CT abdomen; axial plane, index 180
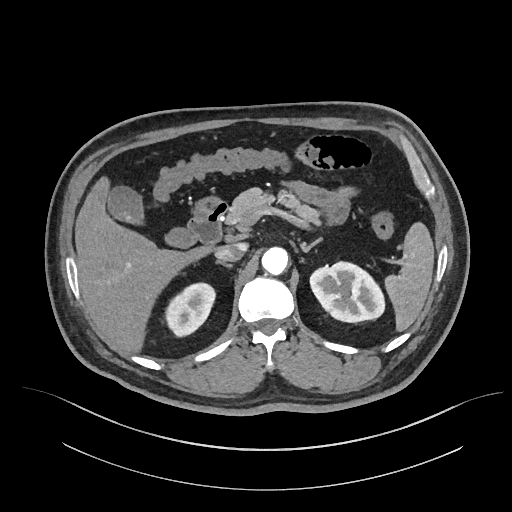 Each box given as x1,y1,x2,y2.
Organ bounding boxes:
- spleen: x1=384, y1=223, x2=434, y2=332
- right kidney: x1=166, y1=283, x2=215, y2=336
- left kidney: x1=309, y1=263, x2=384, y2=322
- gall bladder: x1=107, y1=185, x2=193, y2=247
- liver: x1=75, y1=179, x2=218, y2=353
- stomach: x1=191, y1=197, x2=221, y2=219
- aorta: x1=261, y1=247, x2=288, y2=275
- inferior vena cava: x1=215, y1=243, x2=246, y2=261
- pancreas: x1=226, y1=188, x2=321, y2=224
- right adrenal gland: x1=215, y1=260, x2=233, y2=268
- left adrenal gland: x1=300, y1=239, x2=321, y2=252
- duodenum: x1=188, y1=200, x2=228, y2=241